Abdominal CT. axial view
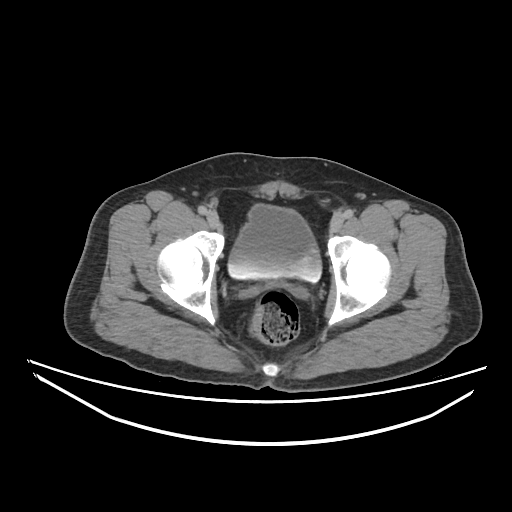 Boxes: x1 y1 x2 y2 (pixel coords, space-separated). Labeled organs on this slice: bladder at 228 205 322 282.